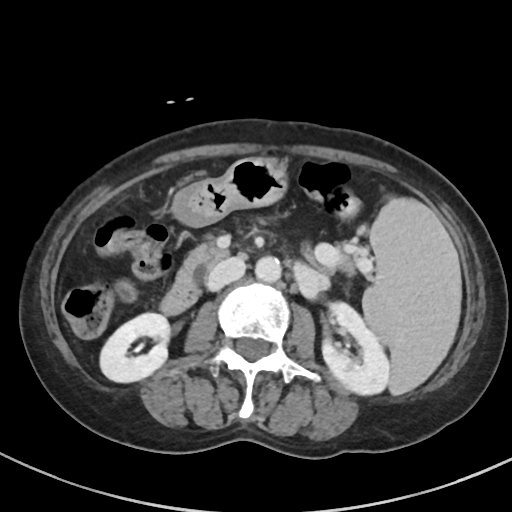
CT, abdomen/pelvis; Axial slice 51/78
{"organs":{"spleen":[362,199,460,394],"right kidney":[99,313,170,382],"left kidney":[322,302,390,394],"stomach":[171,157,287,227],"aorta":[255,257,281,282],"inferior vena cava":[205,257,245,290],"pancreas":[174,241,227,283],"duodenum":[160,248,366,314]}}